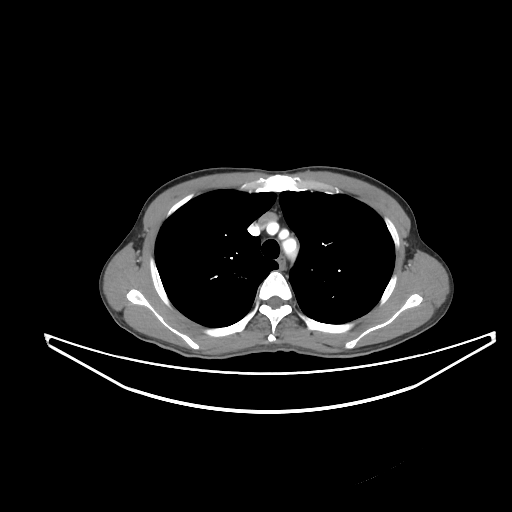
Chest-level slice from an abdominal CT that extends up into the chest. Axial slice 119/134. 52-year-old male patient. 15 organs annotated in this scan (a whole-scan count: organs this slice does not pass through have no box)
At this level of the chest no structure but the esophagus and the aorta has a label in this dataset, and those two are boxed only where they are labeled. Coordinates as <box>x1,y1,x2,y2</box> in pixels. Labeled organs on this slice: aorta at <box>283,239,296,257</box>, esophagus at <box>277,256,285,270</box>.